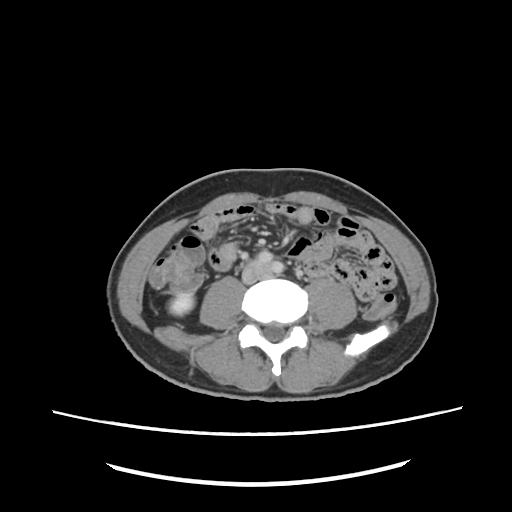

Abdominal CT · axial view · soft-tissue window · 512x512 px · 54-year-old male patient
Boxes: x1 y1 x2 y2 (pixel coords, space-separated).
Organ bounding boxes:
- right kidney: 168 292 194 315
- inferior vena cava: 243 262 269 282